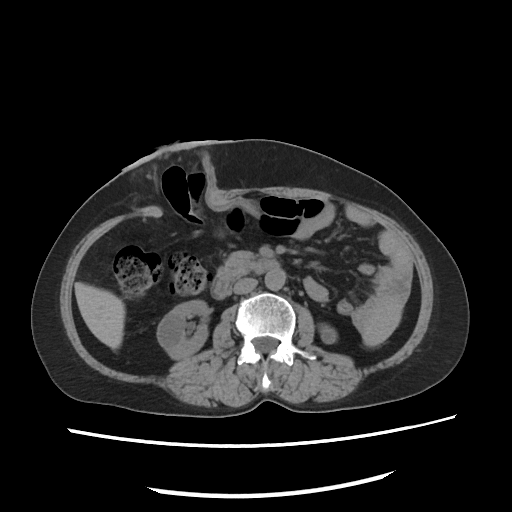

CT abdomen. axial plane, index 54. abdomen soft-tissue window. Aquilion ONE scanner
{"organs":{"spleen":[361,305,401,348],"right kidney":[158,301,209,358],"left kidney":[319,326,337,344],"liver":[74,282,125,348],"aorta":[264,269,285,289],"inferior vena cava":[233,278,259,295],"pancreas":[218,252,255,279],"duodenum":[214,258,279,297]}}